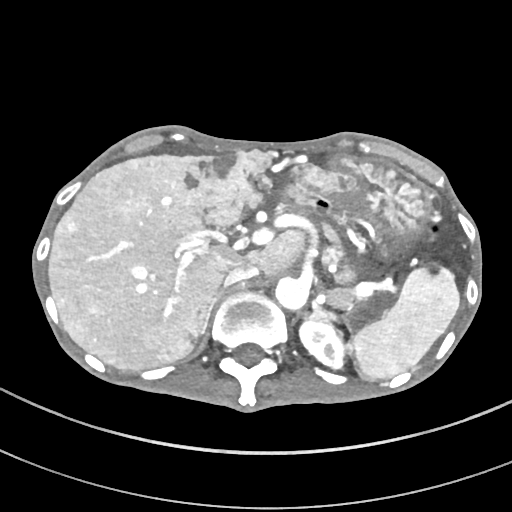
CT abdomen; axial view; 512x512 px
Boxes: x1 y1 x2 y2 (pixel coords, space-separated).
Organ bounding boxes:
- pancreas: 319 222 348 280
- left kidney: 298 318 348 370
- left adrenal gland: 310 300 339 322
- liver: 49 151 356 369
- spleen: 352 268 460 379
- right adrenal gland: 201 294 217 333
- stomach: 284 155 429 239
- inferior vena cava: 225 262 257 284
- aorta: 274 276 309 310